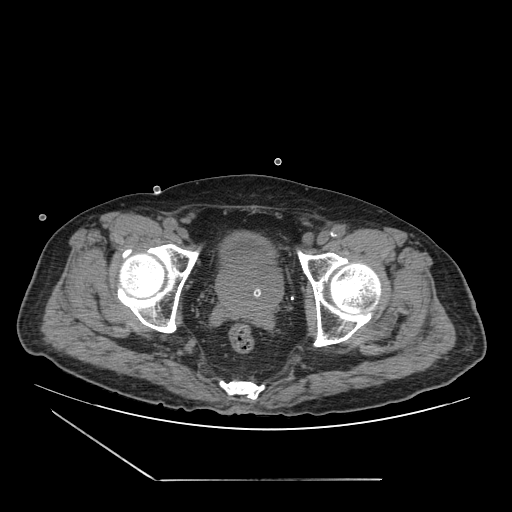
Computed tomography, abdomen — axial plane, index 28 — W/L 400/40 HU
<organs><organ name="bladder" x1="220" y1="231" x2="275" y2="268"/><organ name="prostate/uterus" x1="216" y1="263" x2="282" y2="314"/></organs>